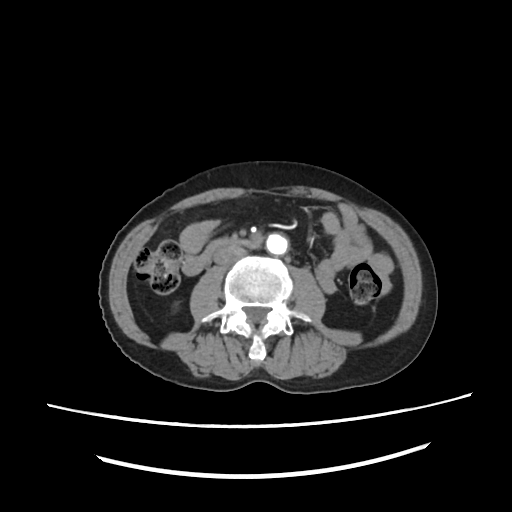

CT abdomen; Axial slice 55/132; abdomen soft-tissue window
One row per box, in pixels: columns x1 and y1 give the top-left corner, x2 and y2 the bottom-right.
| organ | x1 | y1 | x2 | y2 |
|---|---|---|---|---|
| aorta | 266 | 232 | 288 | 254 |
| inferior vena cava | 214 | 246 | 246 | 264 |
| duodenum | 181 | 239 | 257 | 277 |